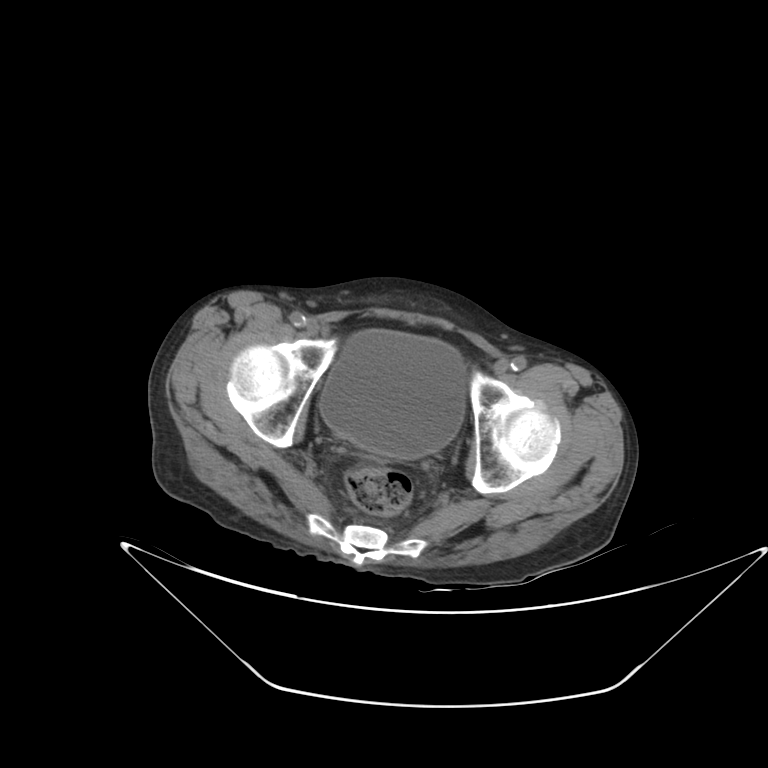
Abdominal CT · Axial slice 19/99 · Brilliance16 scanner
Bounding boxes in pixels, one row per box: x1, y1 is the top-left corner and x2, y2 the bottom-right.
| organ | x1 | y1 | x2 | y2 |
|---|---|---|---|---|
| bladder | 319 | 329 | 465 | 458 |